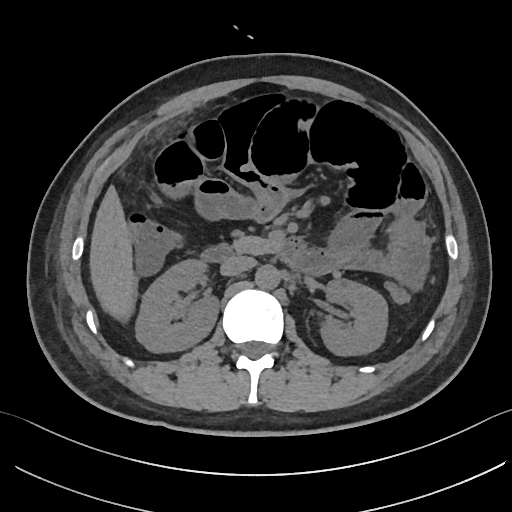 CT, abdomen/pelvis · axial view · soft-tissue window · scan has 15 labeled organs (that count is for the whole scan; organs this slice misses have no box)
Bounding boxes as [x1, y1, x2, y2] in pixel coordinates. The annotated organs in this slice are: right kidney at [135, 259, 218, 352], left kidney at [319, 279, 387, 355], liver at [89, 186, 137, 322], aorta at [255, 265, 280, 289], inferior vena cava at [220, 256, 255, 276], pancreas at [233, 236, 281, 254], duodenum at [201, 237, 302, 266].